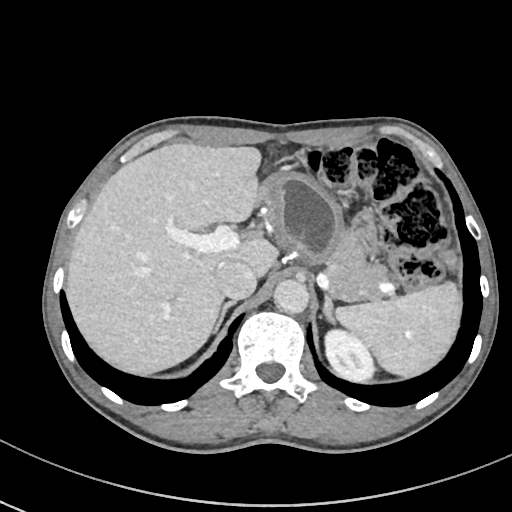

CT, abdomen/pelvis — Axial slice 167/306 — 512x512 px
<organs><organ name="spleen" x1="336" y1="283" x2="460" y2="377"/><organ name="left kidney" x1="325" y1="329" x2="374" y2="382"/><organ name="liver" x1="66" y1="143" x2="277" y2="374"/><organ name="stomach" x1="260" y1="171" x2="346" y2="264"/><organ name="aorta" x1="273" y1="279" x2="309" y2="314"/><organ name="inferior vena cava" x1="215" y1="259" x2="256" y2="299"/><organ name="pancreas" x1="325" y1="231" x2="386" y2="300"/><organ name="right adrenal gland" x1="213" y1="301" x2="235" y2="332"/><organ name="left adrenal gland" x1="323" y1="295" x2="334" y2="323"/></organs>